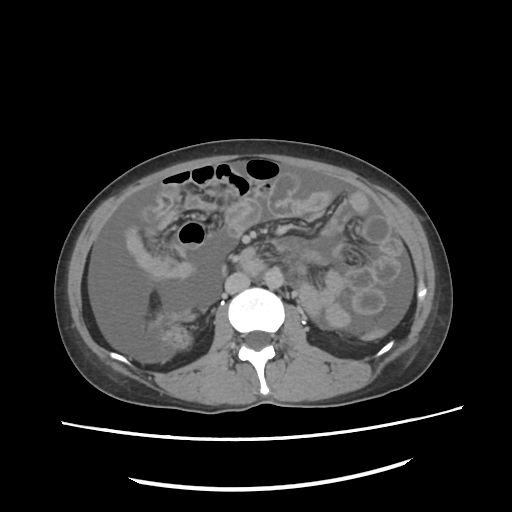
Abdominal CT; axial view; soft-tissue window
{"organs":{"aorta":[262,267,284,289],"inferior vena cava":[226,271,250,293]}}